CT abdomen · axial plane, index 93 · W/L 400/40 HU · 50-year-old male patient
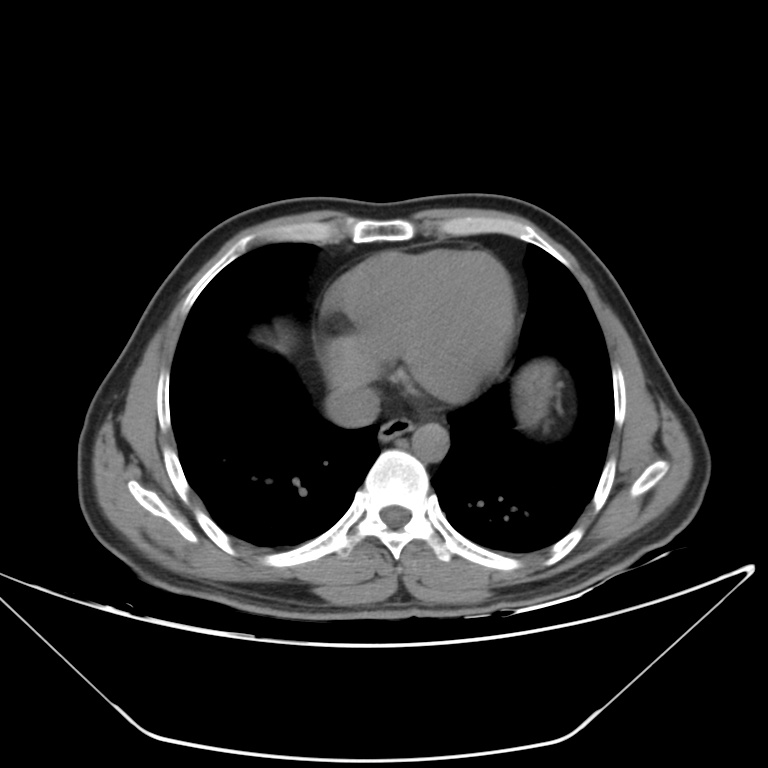

Bounding boxes as [x1, y1, x2, y2] in pixel coordinates. The annotated organs in this slice are: esophagus at [378, 417, 413, 441], stomach at [514, 362, 554, 425], aorta at [412, 423, 448, 462], inferior vena cava at [325, 383, 379, 427].